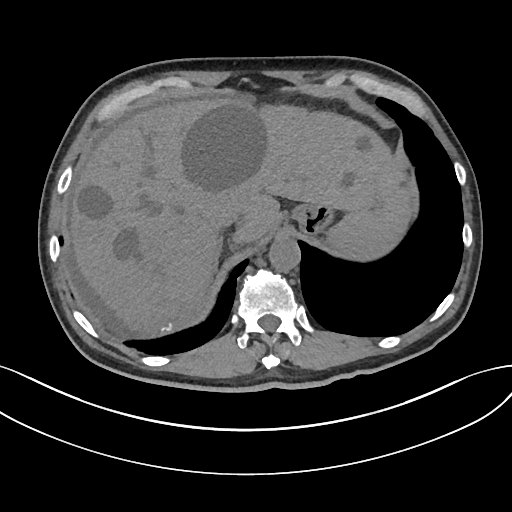
CT abdomen; axial plane, index 177; acquired on SOMATOM Force; 15 organs annotated in this scan (a whole-scan count: organs this slice does not pass through have no box)
<organs><organ name="spleen" x1="323" y1="207" x2="409" y2="258"/><organ name="liver" x1="72" y1="96" x2="410" y2="337"/><organ name="stomach" x1="293" y1="202" x2="331" y2="236"/><organ name="aorta" x1="269" y1="236" x2="300" y2="270"/><organ name="inferior vena cava" x1="213" y1="208" x2="241" y2="229"/><organ name="right adrenal gland" x1="211" y1="237" x2="223" y2="274"/></organs>